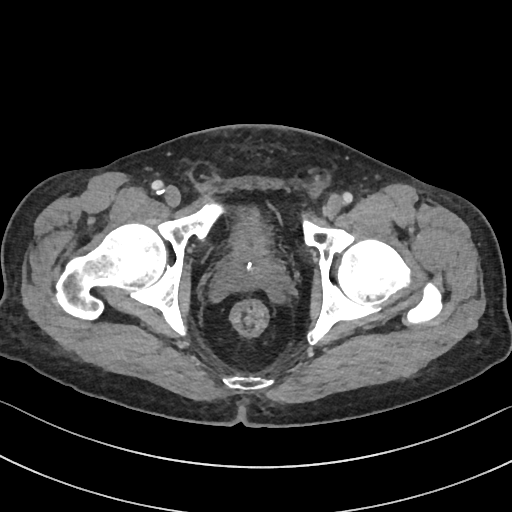 Abdominal CT · axial view · W/L 400/40 HU · 14 organs annotated in this scan (that count is for the whole scan; organs this slice misses have no box)
Coordinates as <box>x1,y1,x2,y2</box> in pixels.
Organ bounding boxes:
- bladder: <box>232,207,263,246</box>
- prostate/uterus: <box>221,246,278,286</box>